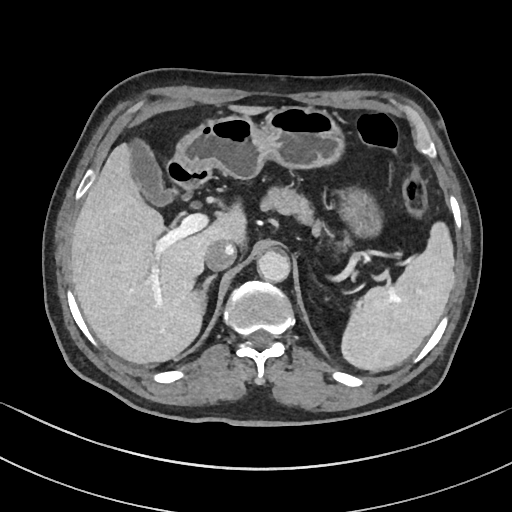

Abdominal CT. axial view. 512x512 px
Box edges are left/top/right/bottom in pixels. 10 labeled organs on this slice — left adrenal gland at left=316, top=285, right=320, bottom=288; stomach at left=170, top=107, right=381, bottom=236; aorta at left=257, top=251, right=289, bottom=282; gall bladder at left=130, top=137, right=170, bottom=205; duodenum at left=165, top=160, right=211, bottom=191; inferior vena cava at left=204, top=239, right=236, bottom=270; spleen at left=342, top=220, right=455, bottom=371; pancreas at left=258, top=187, right=352, bottom=251; liver at left=70, top=106, right=261, bottom=363; right adrenal gland at left=200, top=274, right=217, bottom=312.